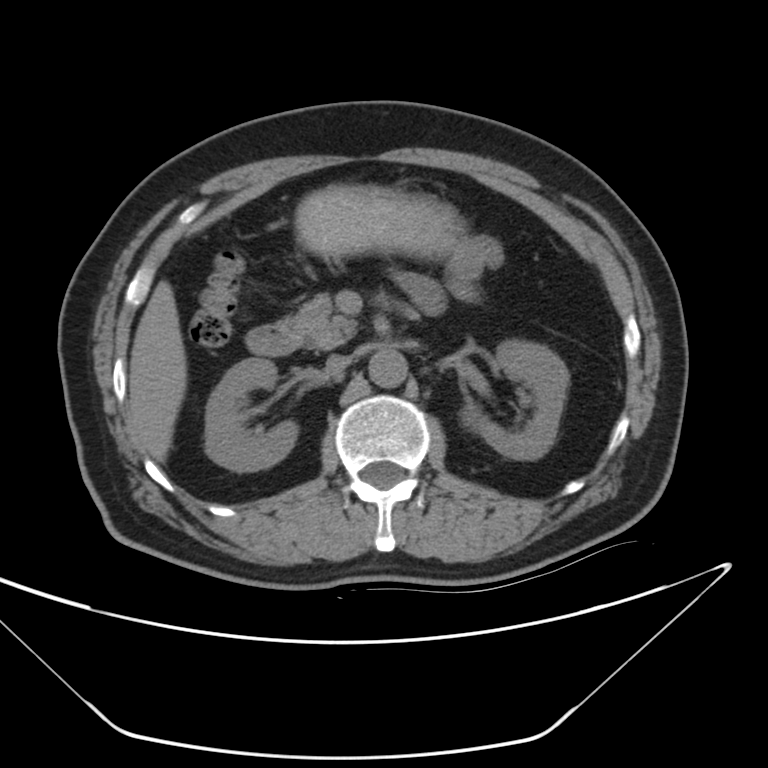
CT abdomen · Axial slice 68/103 · abdomen soft-tissue window
Box edges are left/top/right/bottom in pixels. 8 labeled organs on this slice — pancreas at left=284, top=293, right=355, bottom=345; left kidney at left=460, top=339, right=566, bottom=460; inferior vena cava at left=323, top=356, right=347, bottom=377; liver at left=128, top=279, right=187, bottom=461; duodenum at left=248, top=324, right=302, bottom=356; aorta at left=369, top=345, right=408, bottom=387; right kidney at left=203, top=359, right=295, bottom=469; stomach at left=295, top=186, right=459, bottom=253.